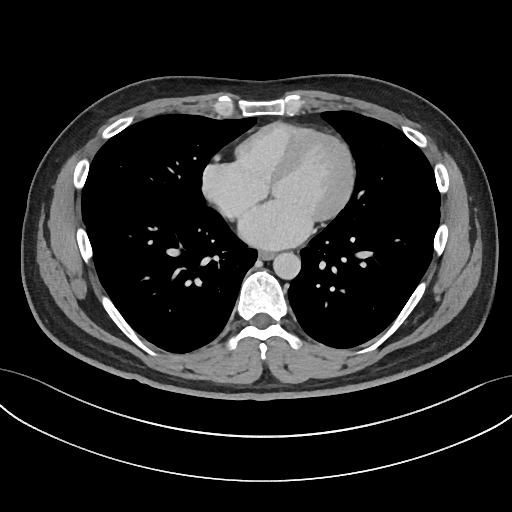

Abdominal CT; this slice is in the lower chest, just above the liver — axial plane, index 254 — 15 organs annotated in this scan (that count is for the whole scan; organs this slice misses have no box)
The heart and lungs are never labeled in this dataset, so they have no box on this slice.
Bounding boxes as [x1, y1, x2, y2] in pixel coordinates.
esophagus: [259, 250, 275, 259]
aorta: [273, 252, 300, 278]